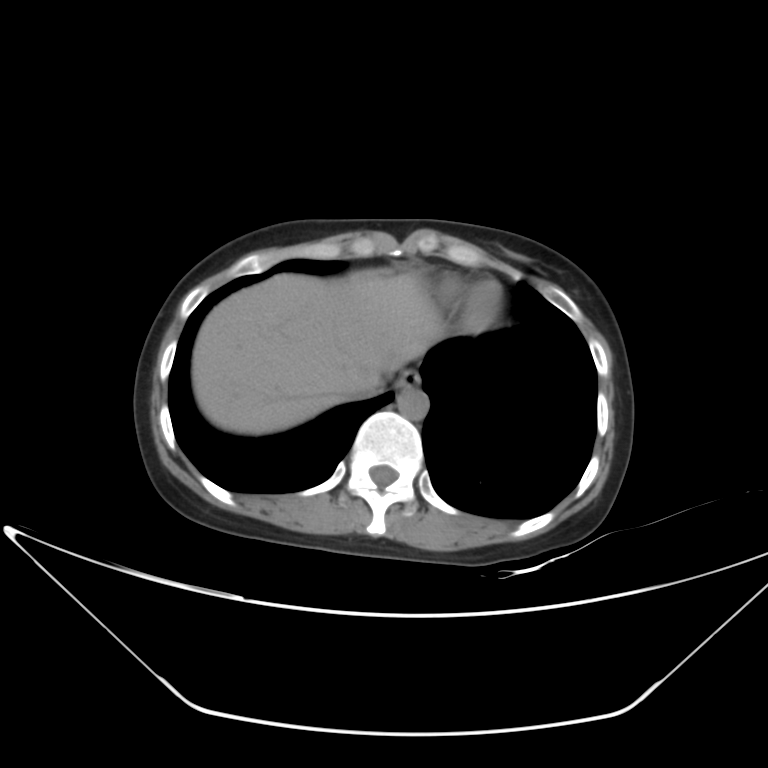
CT, abdomen/pelvis · axial view · 768x768 px · acquired on Brilliance16
Boxes: x1:y1:x2:y2 in pixels.
esophagus: 397:369:420:390
liver: 191:270:442:434
aorta: 397:388:428:419
inferior vena cava: 350:385:381:398